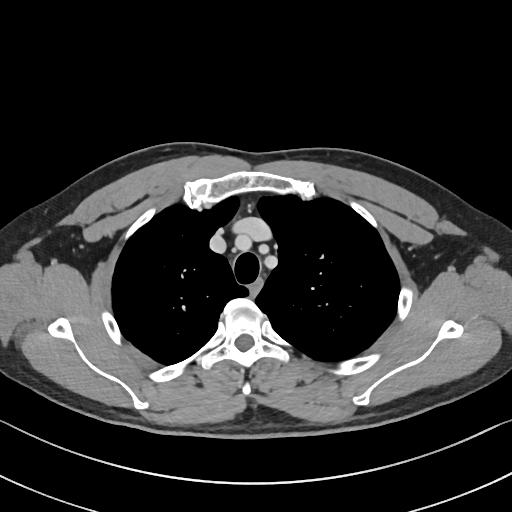

CT of the abdomen extending into the chest, slice through the chest. axial plane, index 261. scan has 15 labeled organs (a whole-scan count: organs this slice does not pass through have no box)
At this level of the chest this dataset labels only the esophagus and the aorta, and each is boxed only where it is labeled; the heart and lungs are never labeled.
Coordinates as <box>x1,y1,x2,y2</box> in pixels.
esophagus: <box>249,278,263,297</box>